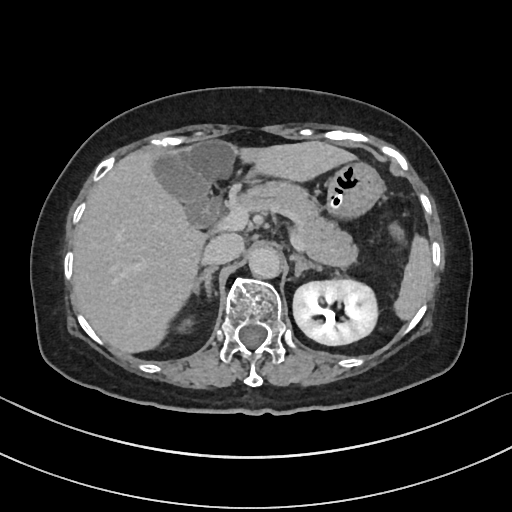 Abdominal CT — axial view
Organ boxes in pixel coordinates; each row gives the top-left (x1, y1) and bottom-right (x2, y2) corners.
| organ | x1 | y1 | x2 | y2 |
|---|---|---|---|---|
| left adrenal gland | 290 | 254 | 321 | 277 |
| right adrenal gland | 191 | 266 | 217 | 298 |
| inferior vena cava | 202 | 233 | 243 | 264 |
| liver | 72 | 140 | 355 | 353 |
| duodenum | 200 | 169 | 258 | 227 |
| right kidney | 178 | 316 | 194 | 333 |
| stomach | 259 | 162 | 383 | 219 |
| spleen | 394 | 235 | 431 | 320 |
| gall bladder | 154 | 154 | 211 | 226 |
| left kidney | 293 | 279 | 378 | 345 |
| pancreas | 229 | 181 | 358 | 268 |
| aorta | 248 | 246 | 280 | 278 |